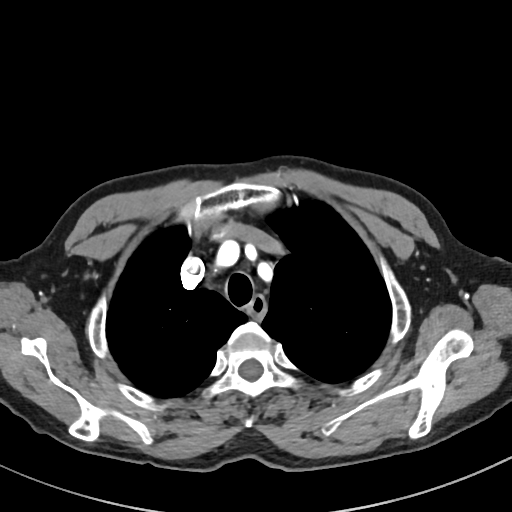

Abdominal CT reaching into the chest; this slice is in the chest. axial view. 512x512 px. SOMATOM Force scanner. 15 organs annotated in this scan (that count is for the whole scan; organs this slice misses have no box)
At this level of the chest no structure but the esophagus and the aorta has a label in this dataset, and those two are boxed only where they are labeled.
Bounding boxes in pixels, one row per box: x1, y1 is the top-left corner and x2, y2 the bottom-right.
| organ | x1 | y1 | x2 | y2 |
|---|---|---|---|---|
| esophagus | 247 | 297 | 266 | 318 |